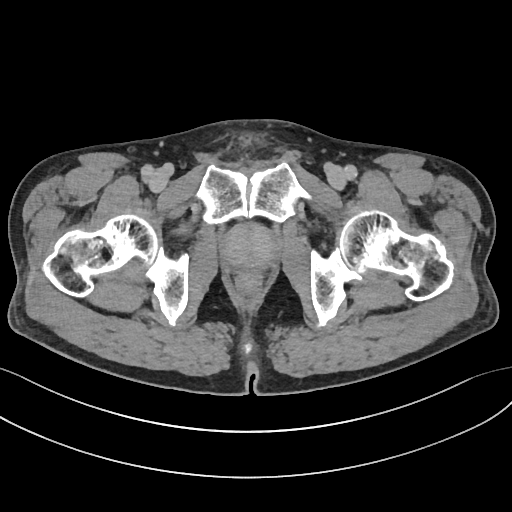 CT, abdomen/pelvis · axial view · SOMATOM Force scanner
Organ boxes in pixel coordinates; each row gives the top-left (x1, y1) and bottom-right (x2, y2) corners.
| organ | x1 | y1 | x2 | y2 |
|---|---|---|---|---|
| prostate/uterus | 221 | 223 | 278 | 269 |